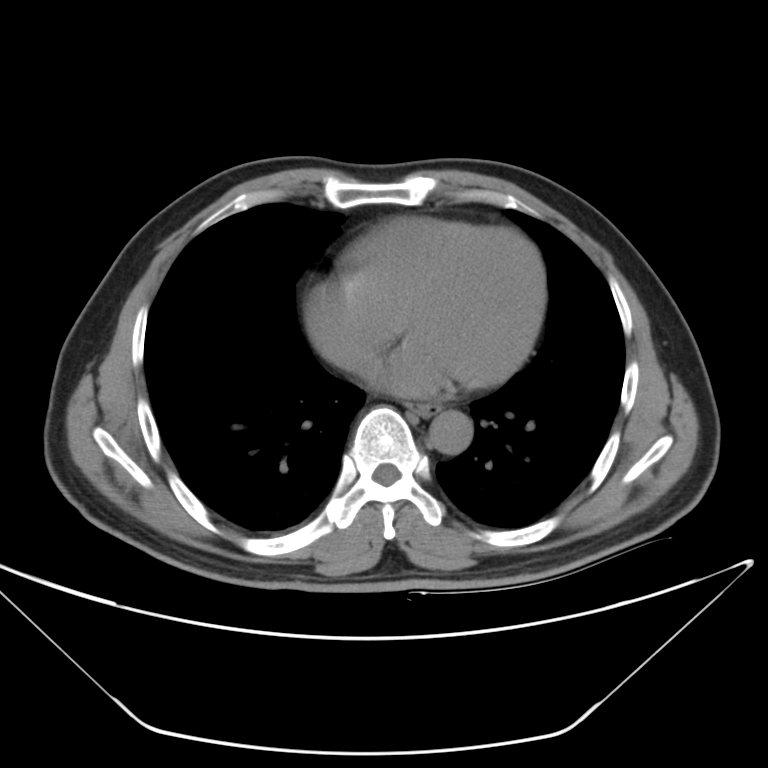 Lower-chest slice from an abdominal CT, just above the liver and spleen; axial plane, index 106; soft-tissue window (W 400 / L 40); 45-year-old male patient
The heart and lungs are never labeled in this dataset, so they have no box on this slice.
Boxes are (x1, y1, x2, y2) in pixels.
Organ bounding boxes:
- esophagus: (413, 401, 444, 415)
- aorta: (429, 411, 471, 452)